Abdominal CT · axial view · soft-tissue window (W 400 / L 40) · 512x512 px
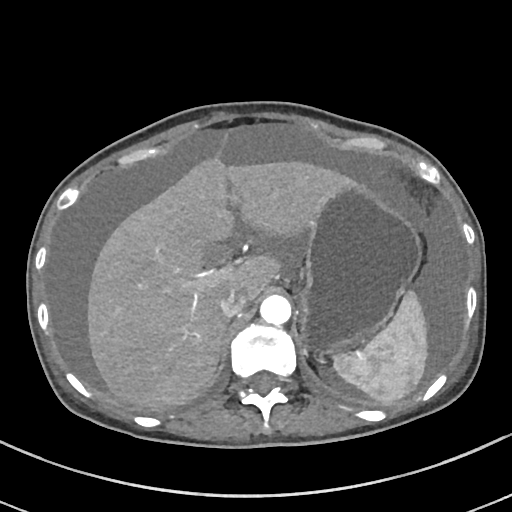
<organs><organ name="inferior vena cava" x1="218" y1="289" x2="247" y2="317"/><organ name="liver" x1="87" y1="159" x2="349" y2="408"/><organ name="aorta" x1="260" y1="294" x2="291" y2="324"/><organ name="spleen" x1="334" y1="289" x2="428" y2="403"/><organ name="stomach" x1="303" y1="180" x2="419" y2="352"/></organs>